Computed tomography, abdomen; Axial slice 31/284; abdomen soft-tissue window
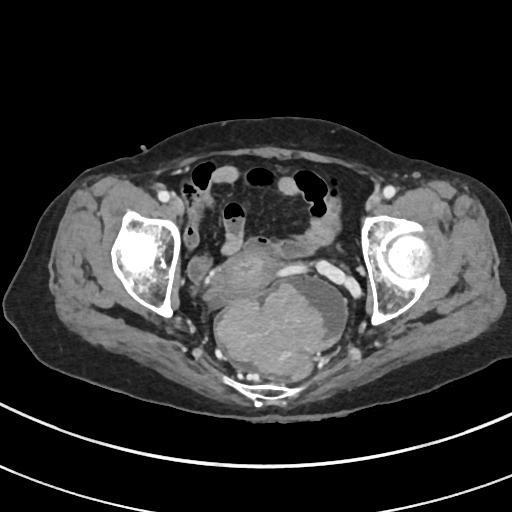

Boxes: x1 y1 x2 y2 (pixel coords, space-separated).
Organ bounding boxes:
- prostate/uterus: 205 253 272 302